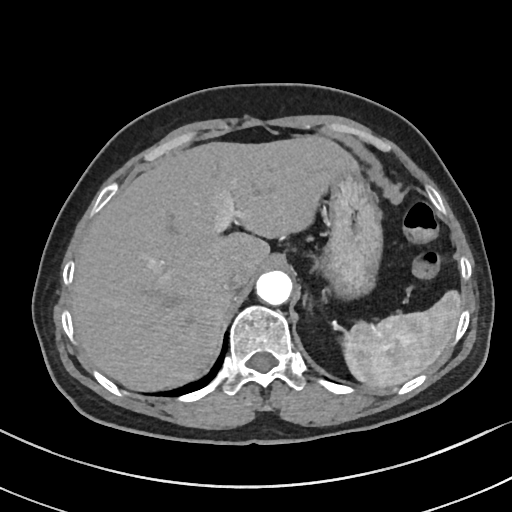
CT, abdomen/pelvis — axial plane, index 175 — 512x512 px
Box edges are left/top/right/bottom in pixels.
Organ bounding boxes:
- spleen: left=342, top=290, right=461, bottom=388
- liver: left=71, top=136, right=355, bottom=391
- stomach: left=315, top=168, right=382, bottom=298
- aorta: left=256, top=270, right=292, bottom=305
- inferior vena cava: left=221, top=266, right=250, bottom=291